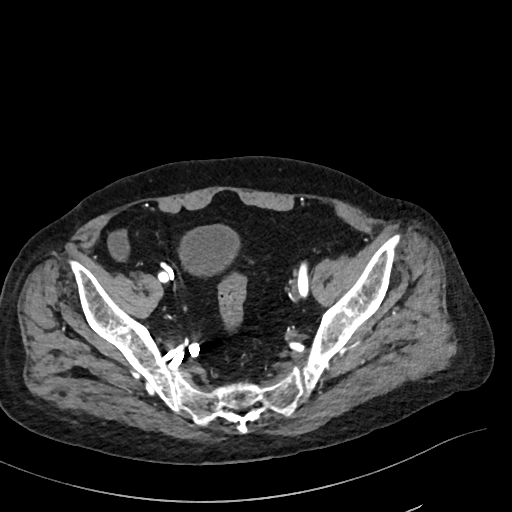 CT, abdomen/pelvis; axial view; scan has 15 labeled organs (that count is for the whole scan; organs this slice misses have no box)
Boxes: x1:y1:x2:y2 in pixels.
Organ bounding boxes:
- bladder: 179:224:238:273